Computed tomography, abdomen. axial view. abdomen soft-tissue window. 512x512 px. 15 organs annotated in this scan (that count is for the whole scan; organs this slice misses have no box)
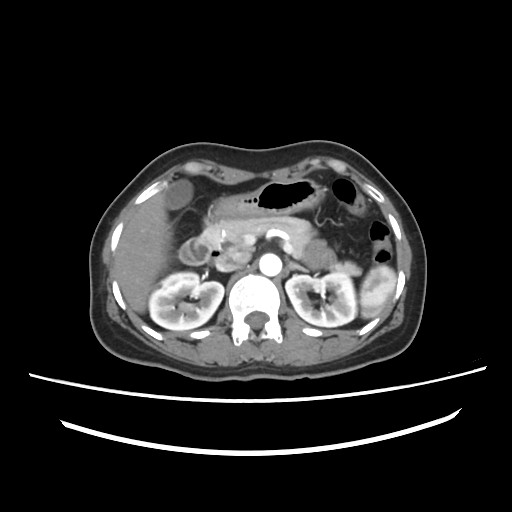 Bounding boxes in pixels, one row per box: x1, y1 is the top-left corner and x2, y2 the bottom-right.
| organ | x1 | y1 | x2 | y2 |
|---|---|---|---|---|
| spleen | 360 | 265 | 396 | 318 |
| right kidney | 149 | 271 | 224 | 330 |
| left kidney | 285 | 272 | 356 | 327 |
| gall bladder | 165 | 179 | 192 | 209 |
| liver | 115 | 193 | 168 | 312 |
| stomach | 212 | 178 | 326 | 217 |
| aorta | 259 | 253 | 281 | 276 |
| inferior vena cava | 215 | 251 | 250 | 271 |
| pancreas | 219 | 216 | 360 | 275 |
| left adrenal gland | 287 | 261 | 307 | 271 |
| duodenum | 178 | 214 | 221 | 264 |